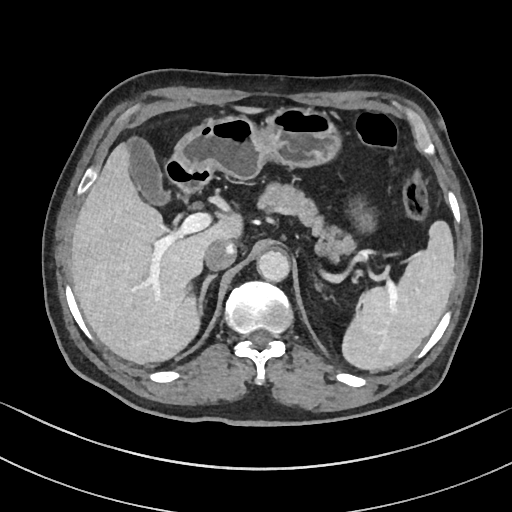
Abdominal CT. axial view. soft-tissue window. 512x512 px. 14 organs annotated in this scan (counted over the whole 3D scan, not this slice; an organ is boxed only where this slice passes through it)
Boxes: x1 y1 x2 y2 (pixel coords, space-separated). 9 labeled organs on this slice — spleen at 342 220 455 371; gall bladder at 127 137 170 205; liver at 70 106 261 363; stomach at 171 107 376 230; aorta at 257 251 289 282; inferior vena cava at 204 239 236 270; pancreas at 257 182 355 260; right adrenal gland at 199 274 217 309; duodenum at 164 159 211 191.